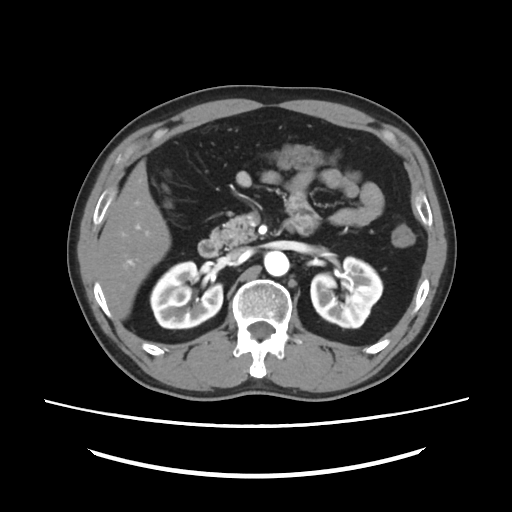
CT, abdomen/pelvis. axial view. W/L 400/40 HU. acquired on Aquilion ONE
Boxes: x1 y1 x2 y2 (pixel coords, space-separated). 7 labeled organs on this slice — left kidney at 310 257 382 327; aorta at 264 251 289 276; duodenum at 198 240 219 257; pancreas at 210 216 256 247; liver at 97 160 170 319; inferior vena cava at 228 247 247 259; right kidney at 150 261 223 328.